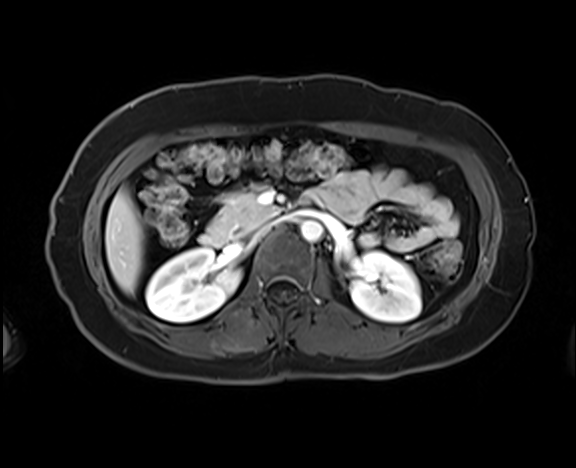 Magnetic resonance imaging, abdomen. axial view. acquired on Prisma. 13 organs annotated in this scan (a whole-scan count: organs this slice does not pass through have no box)
Organ boxes in pixel coordinates; each row gives the top-left (x1, y1) and bottom-right (x2, y2) corners.
| organ | x1 | y1 | x2 | y2 |
|---|---|---|---|---|
| left kidney | 351 | 251 | 421 | 322 |
| duodenum | 200 | 233 | 225 | 246 |
| right kidney | 145 | 248 | 241 | 321 |
| aorta | 301 | 221 | 322 | 242 |
| inferior vena cava | 256 | 221 | 277 | 235 |
| liver | 105 | 189 | 144 | 293 |
| pancreas | 208 | 191 | 277 | 240 |